Magnetic resonance imaging, abdomen · axial view · percentile-normalized
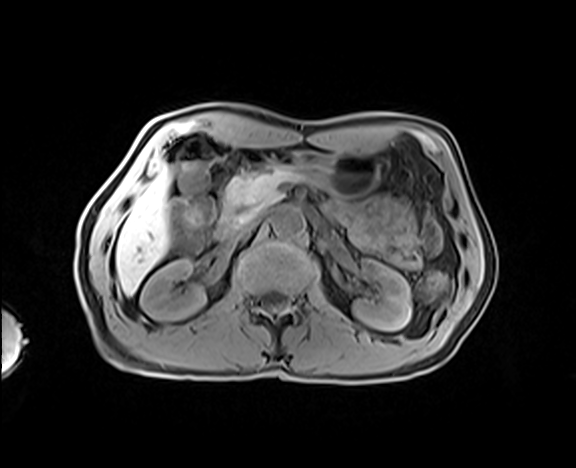

Each box given as x1,y1,x2,y2.
stomach: x1=241, y1=150, x2=381, y2=197
left kidney: x1=353, y1=259, x2=411, y2=330
aorta: x1=272, y1=207, x2=304, y2=237
inferior vena cava: x1=229, y1=214, x2=261, y2=240
pancreas: x1=226, y1=169, x2=303, y2=217
duodenum: x1=215, y1=199, x2=237, y2=242
liver: x1=116, y1=171, x2=169, y2=295
right kidney: x1=140, y1=259, x2=206, y2=320